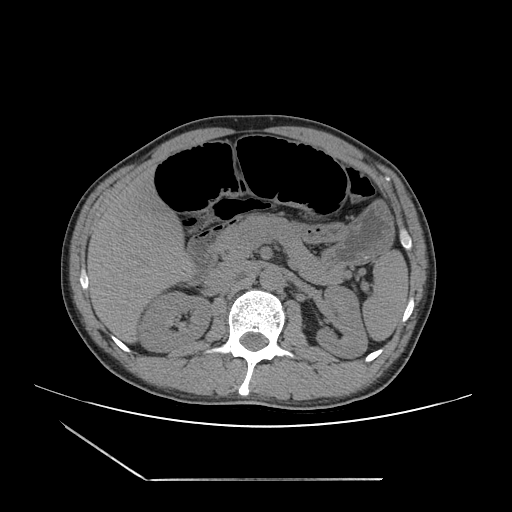 CT, abdomen/pelvis. axial view. soft-tissue window (W 400 / L 40). 512x512 px
One row per box, in pixels: columns x1 and y1 give the top-left corner, x2 and y2 the bottom-right.
| organ | x1 | y1 | x2 | y2 |
|---|---|---|---|---|
| right kidney | 139 | 293 | 210 | 352 |
| pancreas | 213 | 216 | 349 | 284 |
| left kidney | 316 | 286 | 367 | 358 |
| duodenum | 181 | 234 | 218 | 285 |
| spleen | 362 | 248 | 408 | 340 |
| aorta | 259 | 267 | 281 | 289 |
| liver | 87 | 168 | 187 | 341 |
| stomach | 298 | 203 | 392 | 264 |
| inferior vena cava | 209 | 260 | 247 | 283 |